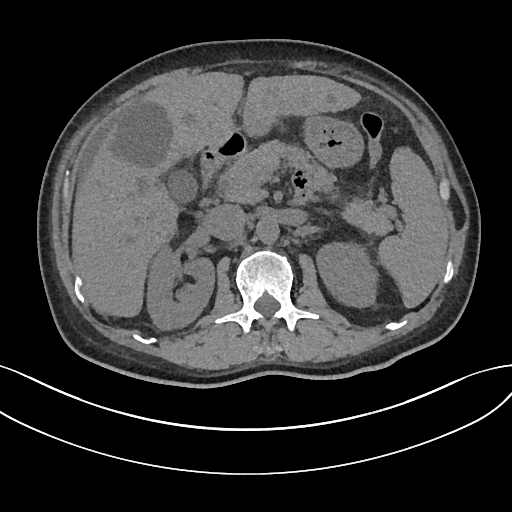 Abdominal CT · Axial slice 142/213 · soft-tissue window
Boxes are (x1, y1, x2, y2) in pixels.
Organ bounding boxes:
- spleen: (377, 147, 448, 307)
- right kidney: (147, 246, 214, 329)
- left kidney: (317, 242, 377, 307)
- gall bladder: (168, 170, 197, 202)
- liver: (72, 72, 360, 317)
- stomach: (303, 115, 364, 167)
- aorta: (256, 217, 279, 243)
- inferior vena cava: (203, 204, 247, 240)
- pancreas: (218, 141, 393, 235)
- duodenum: (201, 132, 245, 187)